Abdominal CT; axial view; 38-year-old female patient; acquired on Brilliance16; scan has 15 labeled organs (that count is for the whole scan; organs this slice misses have no box)
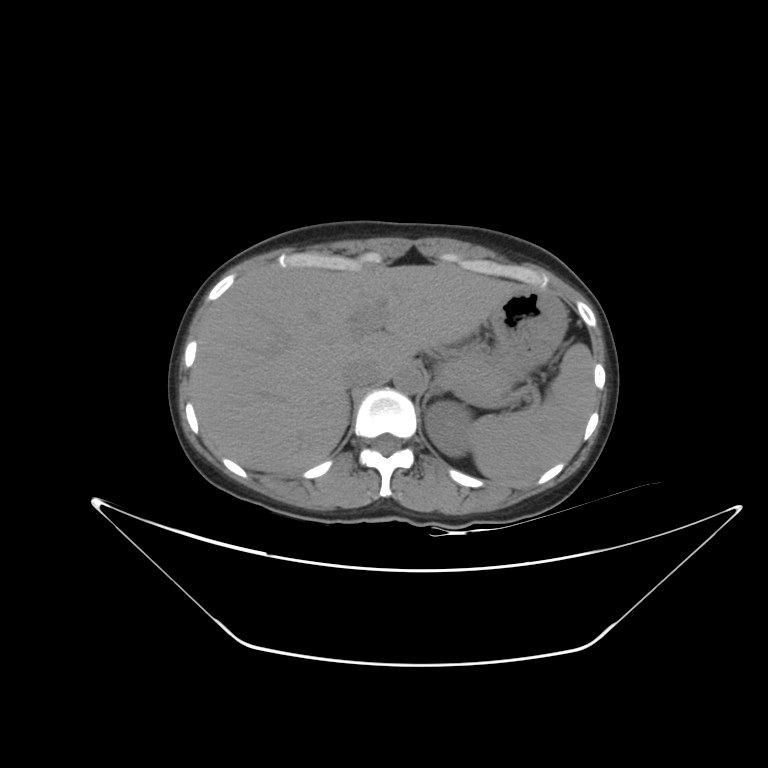

Coordinates as <box>x1,y1,x2,y2</box> in pixels.
Organ bounding boxes:
- inferior vena cava: <box>343,361,381,387</box>
- aorta: <box>393,364,425,393</box>
- left adrenal gland: <box>421,381,443,410</box>
- liver: <box>190,263,520,472</box>
- spleen: <box>470,343,595,485</box>
- left kidney: <box>425,402,470,457</box>
- pancreas: <box>434,343,509,395</box>
- stomach: <box>490,288,567,384</box>